Abdominal CT — axial view — abdomen soft-tissue window — Brilliance16 scanner
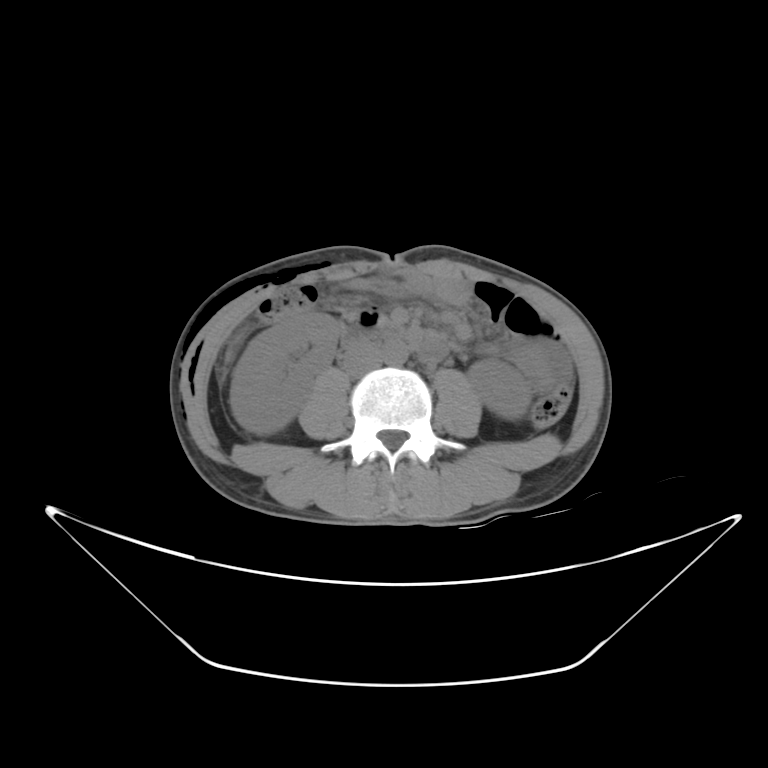
Organ boxes in pixel coordinates; each row gives the top-left (x1, y1) and bottom-right (x2, y2) corners.
| organ | x1 | y1 | x2 | y2 |
|---|---|---|---|---|
| right kidney | 232 | 310 | 338 | 433 |
| inferior vena cava | 343 | 344 | 386 | 375 |
| aorta | 383 | 339 | 407 | 364 |
| duodenum | 340 | 320 | 447 | 362 |
| left kidney | 468 | 359 | 529 | 418 |